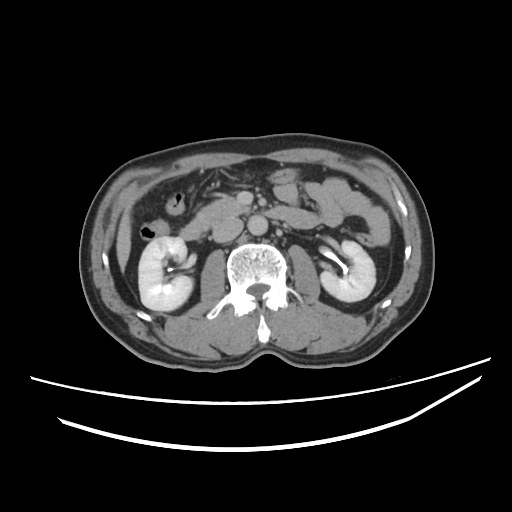

CT, abdomen/pelvis. Axial slice 71/104. soft-tissue window. 512x512 px. 58-year-old male patient
Boxes: x1 y1 x2 y2 (pixel coords, space-separated).
Organ bounding boxes:
- right kidney: 138 236 192 311
- left kidney: 321 239 375 300
- liver: 117 206 130 270
- aorta: 248 215 267 235
- inferior vena cava: 212 216 243 242
- pancreas: 204 195 249 218
- duodenum: 180 206 317 239